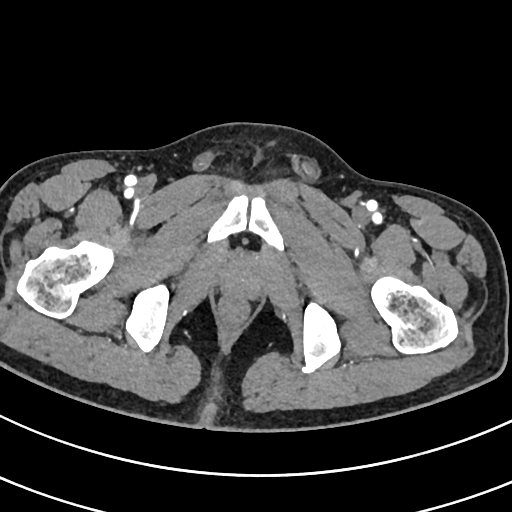 CT abdomen · Axial slice 10/302
Boxes: x1 y1 x2 y2 (pixel coords, space-separated). The annotated organs in this slice are: prostate/uterus at 223 262 259 296.